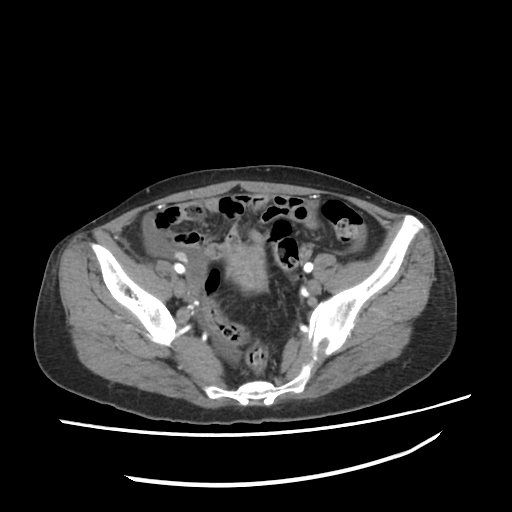

Computed tomography, abdomen · Axial slice 20/78 · soft-tissue window (W 400 / L 40) · 47-year-old female patient · acquired on Aquilion ONE
Box edges are left/top/right/bottom in pixels.
prostate/uterus: left=185, top=244, right=267, bottom=290